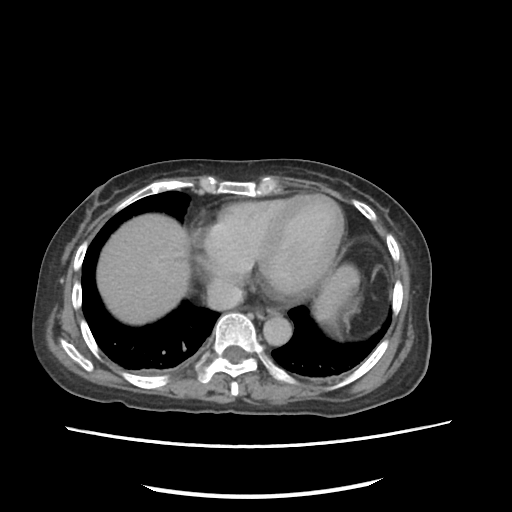 CT, abdomen/pelvis — axial view — W/L 400/40 HU — Aquilion ONE scanner
<organs><organ name="stomach" x1="328" y1="292" x2="357" y2="326"/><organ name="inferior vena cava" x1="207" y1="279" x2="243" y2="310"/><organ name="esophagus" x1="255" y1="307" x2="278" y2="319"/><organ name="liver" x1="97" y1="213" x2="359" y2="324"/><organ name="aorta" x1="263" y1="315" x2="291" y2="346"/></organs>